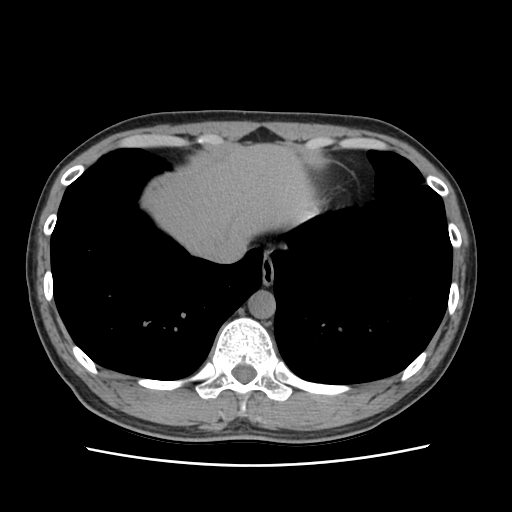
CT abdomen · axial plane, index 156 · W/L 400/40 HU · 512x512 px
{"organs":{"esophagus":[261,256,274,284],"liver":[151,143,316,255],"aorta":[248,290,275,318],"inferior vena cava":[202,234,246,263]}}